CT, abdomen/pelvis; axial view; 512x512 px
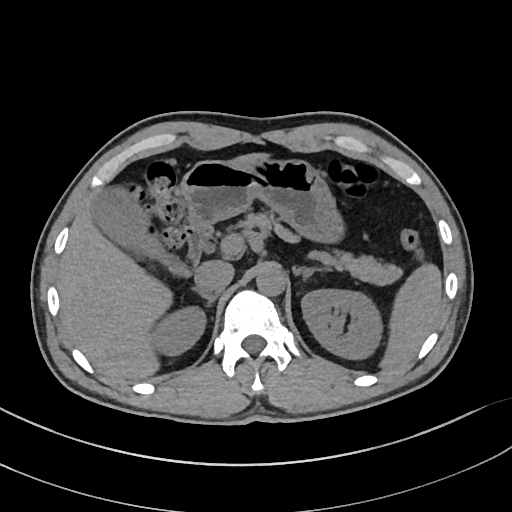
Bounding boxes in pixels, one row per box: x1, y1 is the top-left corner and x2, y2 the bottom-right.
| organ | x1 | y1 | x2 | y2 |
|---|---|---|---|---|
| inferior vena cava | 194 | 261 | 233 | 294 |
| duodenum | 184 | 223 | 212 | 263 |
| left kidney | 301 | 290 | 380 | 358 |
| right kidney | 155 | 309 | 204 | 354 |
| stomach | 179 | 160 | 344 | 242 |
| right adrenal gland | 194 | 290 | 217 | 310 |
| spleen | 380 | 266 | 442 | 369 |
| liver | 58 | 151 | 270 | 380 |
| aorta | 256 | 264 | 286 | 296 |
| left adrenal gland | 294 | 267 | 330 | 281 |
| pancreas | 236 | 214 | 402 | 285 |
| gall bladder | 92 | 186 | 189 | 275 |